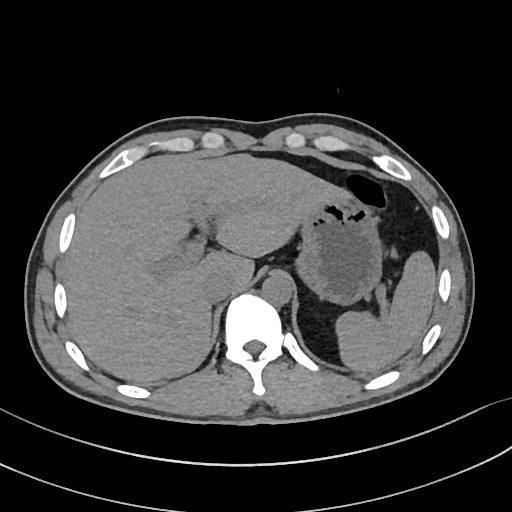 Abdominal CT. axial plane, index 196. abdomen soft-tissue window
Bounding boxes in pixels, one row per box: x1, y1 is the top-left corner and x2, y2 the bottom-right.
| organ | x1 | y1 | x2 | y2 |
|---|---|---|---|---|
| spleen | 335 | 251 | 436 | 371 |
| liver | 65 | 153 | 349 | 382 |
| stomach | 295 | 196 | 382 | 304 |
| aorta | 262 | 274 | 293 | 305 |
| inferior vena cava | 202 | 273 | 232 | 302 |